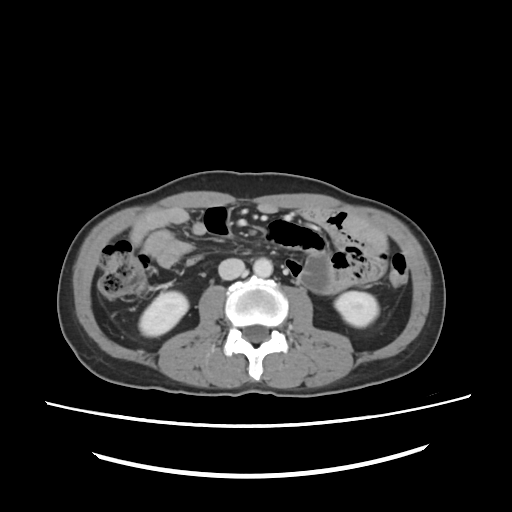

Computed tomography, abdomen. axial view. 45-year-old male patient. acquired on Aquilion ONE
Coordinates as <box>x1,y1,x2,y2</box> in pixels.
left kidney: <box>334,292,379,325</box>
right kidney: <box>138,291,187,335</box>
aorta: <box>253,257,273,277</box>
inferior vena cava: <box>218,258,244,279</box>